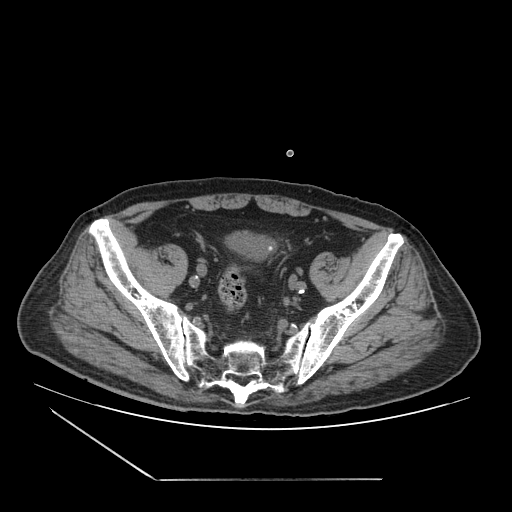
CT abdomen. axial view. W/L 400/40 HU
<organs><organ name="bladder" x1="223" y1="229" x2="277" y2="259"/></organs>